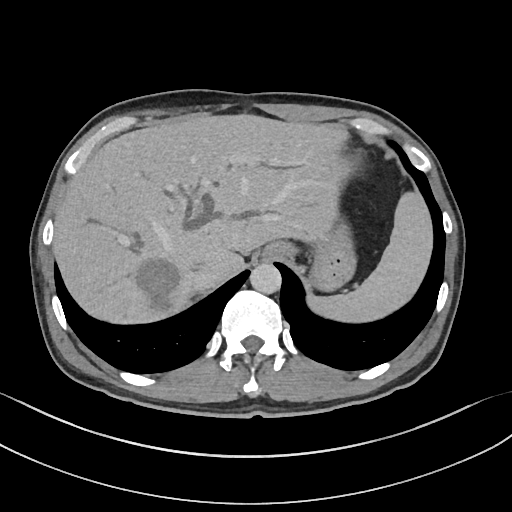
Computed tomography, abdomen — axial view — 512x512 px
Coordinates as <box>x1,y1,x2,y2</box> in pixels. Labeled organs on this slice: spleen at <box>307,192,432,322</box>, esophagus at <box>262,242,290,259</box>, liver at <box>53,114,353,323</box>, stomach at <box>310,223,356,291</box>, aorta at <box>249,263,281,294</box>, inferior vena cava at <box>190,267,217,292</box>.